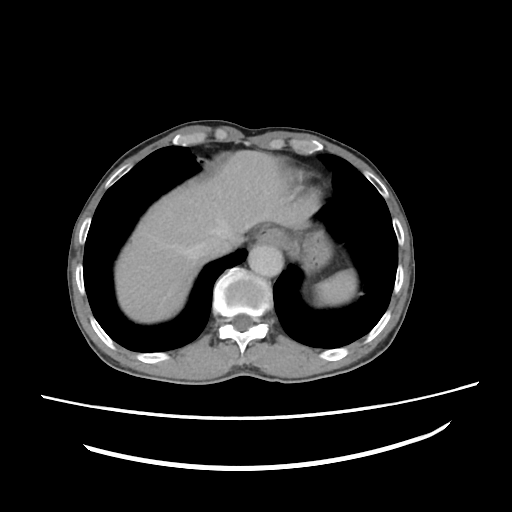 Abdominal CT · axial plane, index 75 · 72-year-old male patient
<organs><organ name="spleen" x1="312" y1="271" x2="357" y2="304"/><organ name="esophagus" x1="253" y1="227" x2="284" y2="245"/><organ name="liver" x1="115" y1="150" x2="315" y2="323"/><organ name="stomach" x1="302" y1="230" x2="328" y2="272"/><organ name="aorta" x1="249" y1="244" x2="282" y2="277"/><organ name="inferior vena cava" x1="199" y1="227" x2="236" y2="254"/></organs>